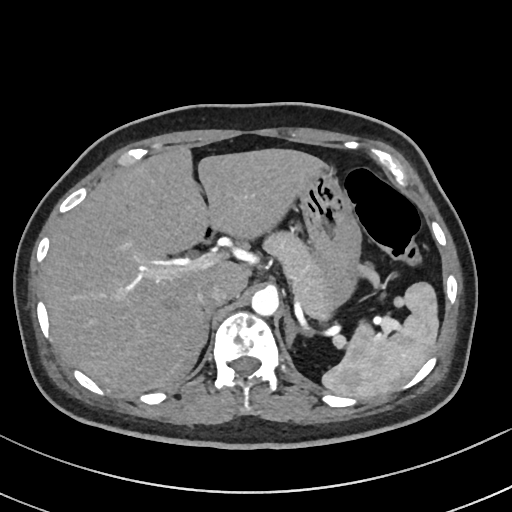 CT, abdomen/pelvis. Axial slice 156/191. soft-tissue window
{"organs":{"spleen":[322,282,439,398],"liver":[43,148,321,395],"stomach":[295,168,359,309],"aorta":[251,288,278,315],"inferior vena cava":[196,282,229,310],"pancreas":[261,233,334,319],"right adrenal gland":[204,310,212,343],"left adrenal gland":[285,310,313,345],"duodenum":[198,220,216,243]}}